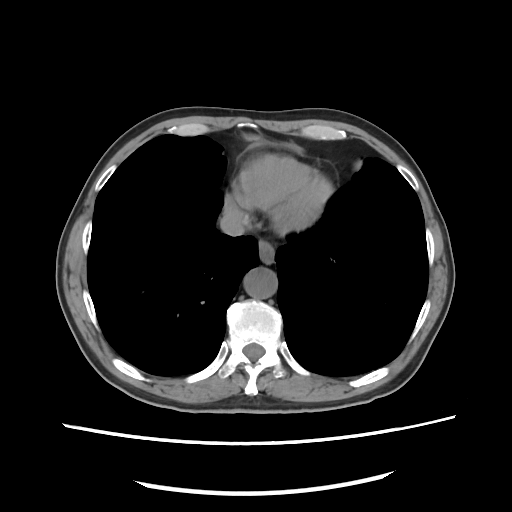 Lower-chest slice from an abdominal CT, just above the liver and spleen. axial plane, index 76. 68-year-old male patient. scan has 15 labeled organs (a whole-scan count: organs this slice does not pass through have no box)
The heart and lungs are never labeled in this dataset, so they have no box on this slice.
{"organs":{"esophagus":[259,240,274,263],"aorta":[244,267,277,298],"inferior vena cava":[220,209,245,236]}}